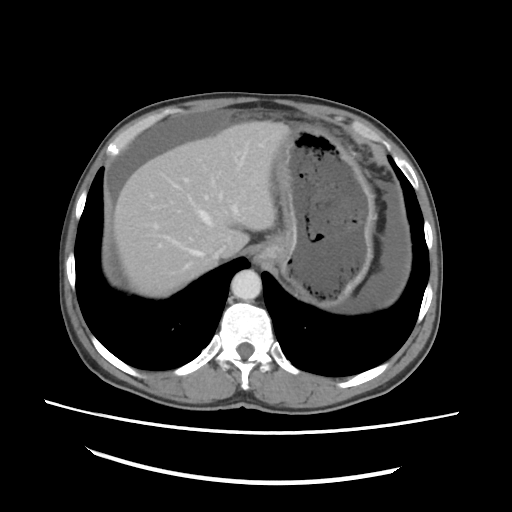 Abdominal CT — axial plane, index 66 — W/L 400/40 HU — acquired on Aquilion ONE — scan has 15 labeled organs (a whole-scan count: organs this slice does not pass through have no box)
Each box given as x1,y1,x2,y2.
esophagus: x1=253, y1=248, x2=265, y2=263
liver: x1=113, y1=121, x2=291, y2=297
stomach: x1=258, y1=125, x2=375, y2=307
aorta: x1=231, y1=270, x2=261, y2=300
inferior vena cava: x1=209, y1=240, x2=233, y2=260